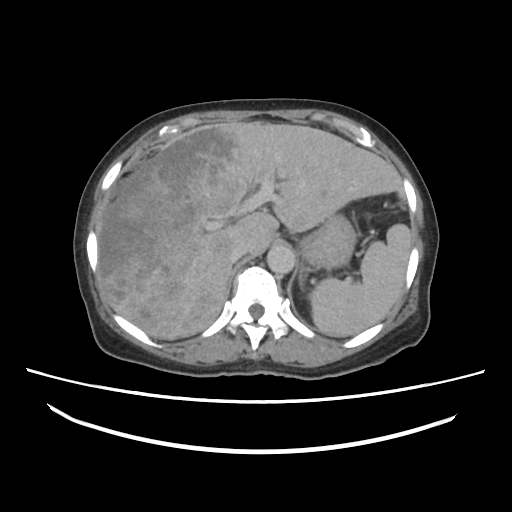 Abdominal CT — axial view — soft-tissue window — 512x512 px — acquired on Aquilion ONE — scan has 15 labeled organs (a whole-scan count: organs this slice does not pass through have no box)
<organs><organ name="inferior vena cava" x1="230" y1="244" x2="246" y2="262"/><organ name="aorta" x1="266" y1="244" x2="294" y2="274"/><organ name="left adrenal gland" x1="299" y1="275" x2="304" y2="287"/><organ name="stomach" x1="299" y1="213" x2="356" y2="270"/><organ name="spleen" x1="308" y1="223" x2="411" y2="337"/><organ name="liver" x1="97" y1="121" x2="401" y2="339"/></organs>